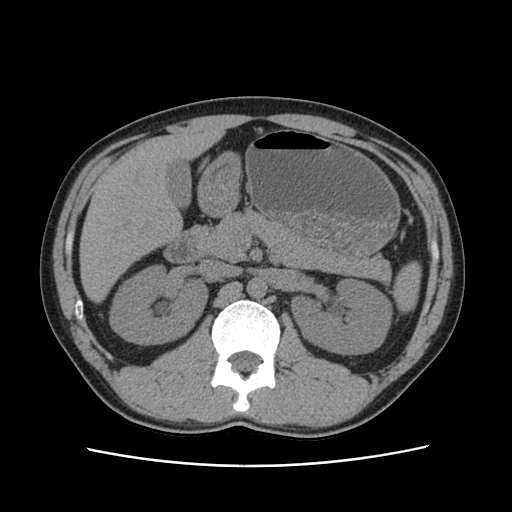

CT abdomen. axial view. 15 organs annotated in this scan (that count is for the whole scan; organs this slice misses have no box)
Coordinates as <box>x1,y1,x2,y2</box> in pixels.
Organ bounding boxes:
- right kidney: <box>110,267,207,344</box>
- pancreas: <box>198,206,389,285</box>
- spleen: <box>395,262,421,310</box>
- aorta: <box>247,278,267,299</box>
- duodenum: <box>165,225,203,264</box>
- stomach: <box>197,129,401,256</box>
- gall bladder: <box>167,163,192,208</box>
- left kidney: <box>290,280,390,355</box>
- inferior vena cava: <box>201,259,238,277</box>
- liver: <box>79,130,226,302</box>